CT, abdomen/pelvis · Axial slice 81/96 · 512x512 px · scan has 15 labeled organs (a whole-scan count: organs this slice does not pass through have no box)
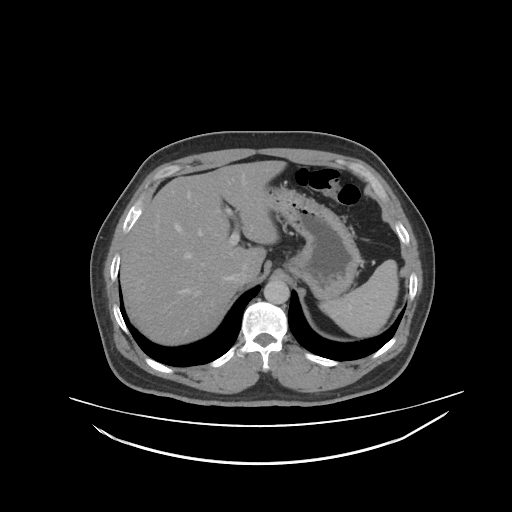
Each box given as x1,y1,x2,y2. 5 labeled organs on this slice — spleen at x1=319, y1=259, x2=398, y2=336; liver at x1=120, y1=159, x2=284, y2=345; stomach at x1=266, y1=184, x2=360, y2=299; aorta at x1=263, y1=281, x2=288, y2=303; inferior vena cava at x1=231, y1=269, x2=246, y2=286.